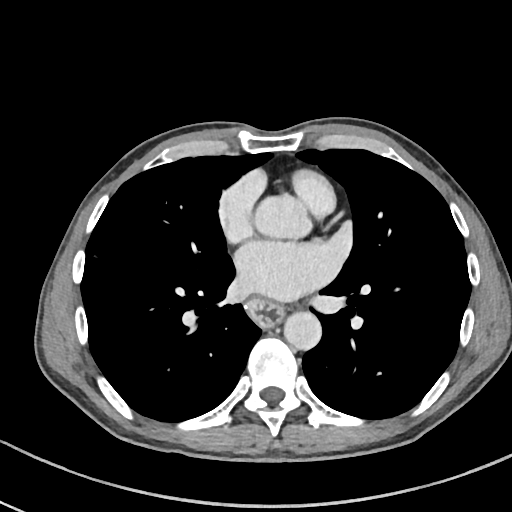
Abdominal CT reaching into the chest; this slice is in the chest · axial view · 512x512 px · acquired on SOMATOM Force
At this level of the chest no structure but the esophagus and the aorta has a label in this dataset, and those two are boxed only where they are labeled.
<organs><organ name="esophagus" x1="248" y1="299" x2="282" y2="325"/><organ name="aorta" x1="255" y1="196" x2="311" y2="238"/><organ name="aorta" x1="283" y1="312" x2="321" y2="350"/></organs>